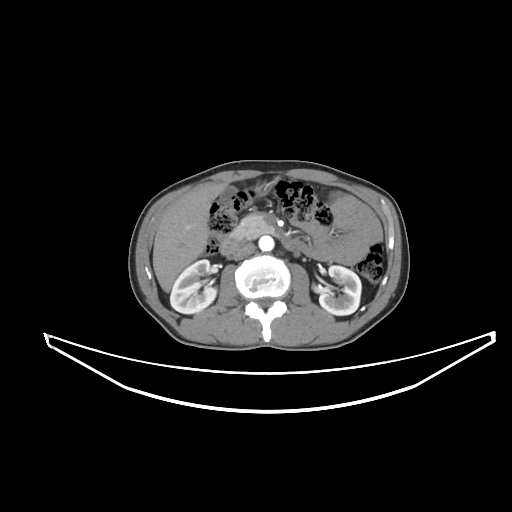 Computed tomography, abdomen. Axial slice 59/134. 512x512 px. 52-year-old male patient. 15 organs annotated in this scan (a whole-scan count: organs this slice does not pass through have no box)
Boxes: x1:y1:x2:y2 in pixels. Labeled organs on this slice: right kidney at 170:259:216:313, left kidney at 319:265:361:315, gall bladder at 220:186:235:202, liver at 152:182:227:292, stomach at 245:184:265:200, aorta at 259:236:274:251, inferior vena cava at 233:242:255:259, pancreas at 229:215:274:240, duodenum at 219:236:301:255.